Computed tomography, abdomen — Axial slice 67/133 — 31-year-old male patient — acquired on Aquilion ONE
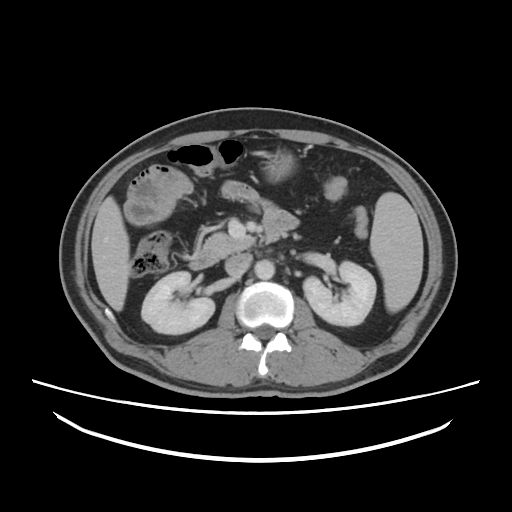 Box edges are left/top/right/bottom in pixels.
spleen: left=370, top=192, right=423, bottom=312
right kidney: left=141, top=271, right=214, bottom=334
left kidney: left=303, top=261, right=376, bottom=326
liver: left=91, top=196, right=131, bottom=311
stomach: left=265, top=149, right=293, bottom=181
aorta: left=254, top=259, right=275, bottom=279
inferior vena cava: left=225, top=253, right=252, bottom=276
pancreas: left=204, top=232, right=255, bottom=256
duodenum: left=189, top=210, right=297, bottom=269